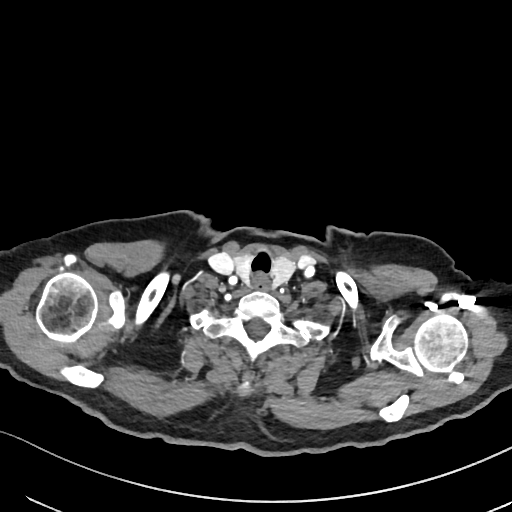
Chest-level CT slice, above the liver and spleen. Axial slice 295/297. soft-tissue window, W/L 400/40
At this level of the chest no structure but the esophagus and the aorta has a label in this dataset, and those two are boxed only where they are labeled.
Boxes: x1 y1 x2 y2 (pixel coords, space-separated).
esophagus: 253 274 269 289